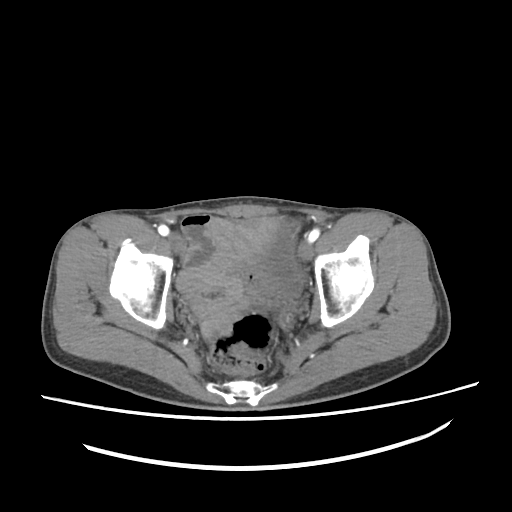
Computed tomography, abdomen — axial view — 14 organs annotated in this scan (that count is for the whole scan; organs this slice misses have no box)
Boxes: x1 y1 x2 y2 (pixel coords, space-separated). The annotated organs in this slice are: bladder at 260 221 302 296.